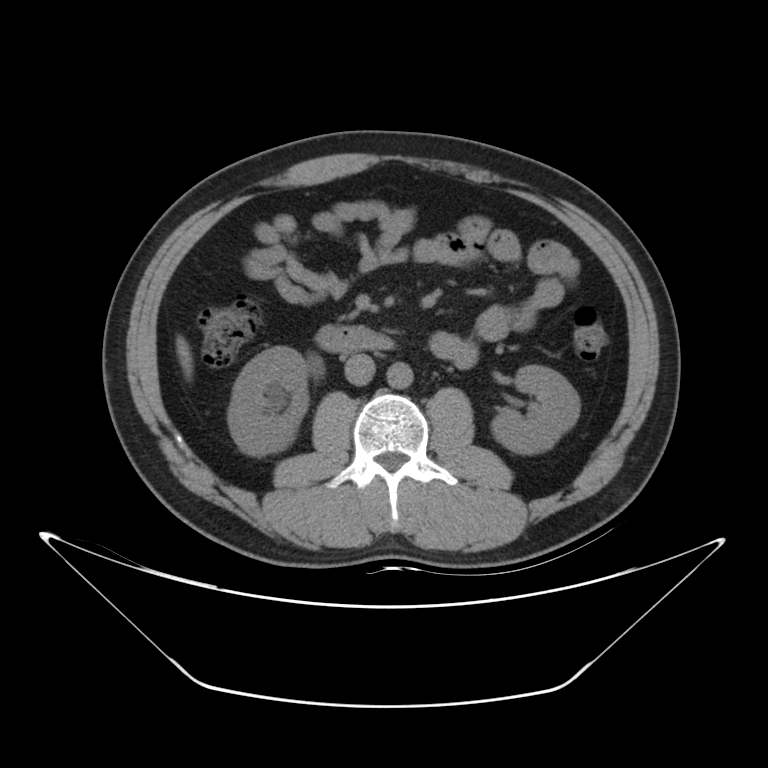
CT, abdomen/pelvis. axial view. 768x768 px. scan has 15 labeled organs (that count is for the whole scan; organs this slice misses have no box)
Organ boxes in pixel coordinates; each row gives the top-left (x1, y1) and bottom-right (x2, y2) corners.
| organ | x1 | y1 | x2 | y2 |
|---|---|---|---|---|
| right kidney | 228 | 346 | 308 | 456 |
| left kidney | 491 | 365 | 579 | 454 |
| liver | 175 | 336 | 192 | 378 |
| aorta | 386 | 361 | 412 | 388 |
| inferior vena cava | 343 | 354 | 375 | 385 |
| duodenum | 315 | 325 | 394 | 351 |